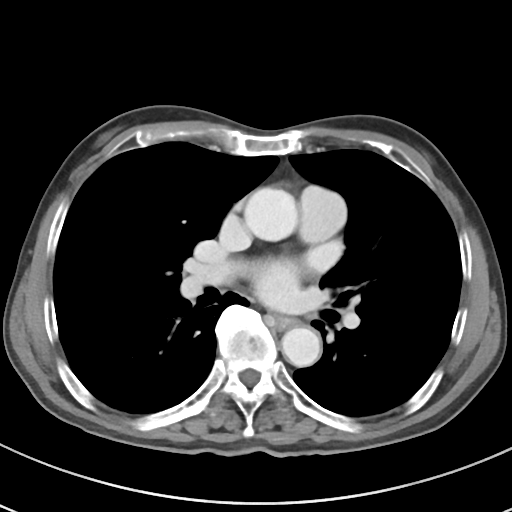
Chest-level slice from an abdominal CT that extends up into the chest; axial view; soft-tissue window, W/L 400/40; acquired on SOMATOM Force
At this level of the chest no structure but the esophagus and the aorta has a label in this dataset, and those two are boxed only where they are labeled.
Bounding boxes in pixels, one row per box: x1, y1 is the top-left corner and x2, y2 the bottom-right.
| organ | x1 | y1 | x2 | y2 |
|---|---|---|---|---|
| esophagus | 274 | 315 | 296 | 329 |
| aorta | 244 | 187 | 298 | 241 |
| aorta | 282 | 327 | 321 | 367 |